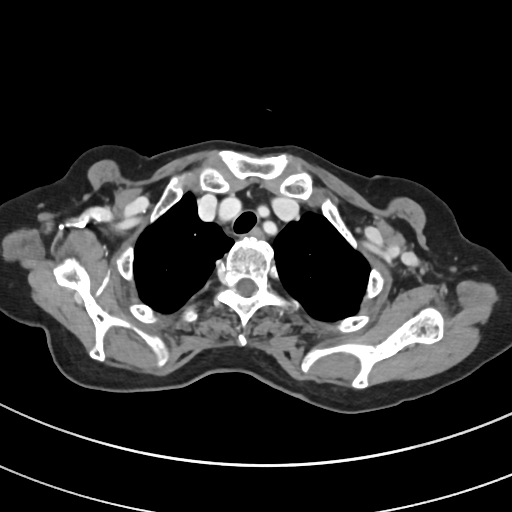
Abdominal CT reaching into the chest; this slice is in the chest. axial view. 512x512 px. scan has 15 labeled organs (a whole-scan count: organs this slice does not pass through have no box)
On a slice this high in the chest, this dataset labels only the esophagus and the aorta, and each is boxed only where it is labeled; the heart, lungs and other chest structures are not labeled.
Box edges are left/top/right/bottom in pixels.
Organ bounding boxes:
- esophagus: left=249, top=227, right=263, bottom=239